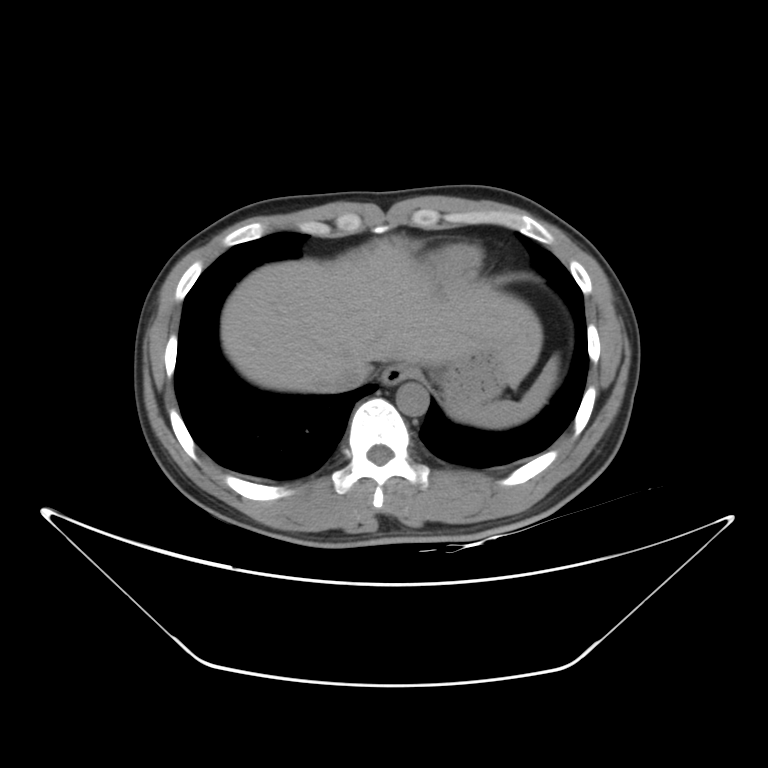 CT, abdomen/pelvis · axial view · 768x768 px
Organ boxes in pixel coordinates; each row gives the top-left (x1, y1) and bottom-right (x2, y2) corners.
| organ | x1 | y1 | x2 | y2 |
|---|---|---|---|---|
| spleen | 450 | 357 | 558 | 428 |
| esophagus | 381 | 364 | 417 | 385 |
| liver | 221 | 239 | 542 | 393 |
| stomach | 435 | 350 | 512 | 408 |
| aorta | 396 | 382 | 428 | 416 |
| inferior vena cava | 329 | 355 | 369 | 390 |